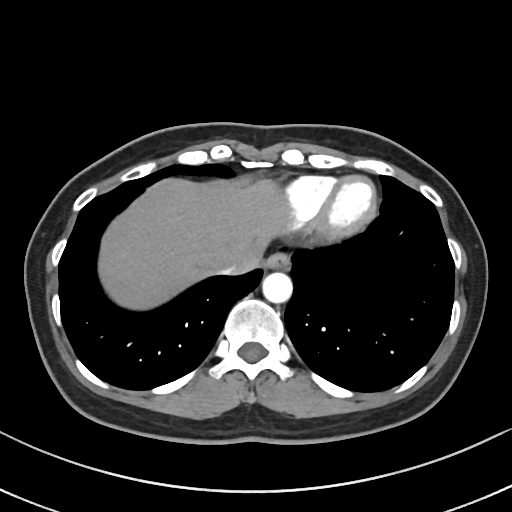
CT abdomen. axial plane, index 210. SOMATOM Force scanner
Bounding boxes in pixels, one row per box: x1, y1 is the top-left corner and x2, y2 the bottom-right.
| organ | x1 | y1 | x2 | y2 |
|---|---|---|---|---|
| inferior vena cava | 218 | 265 | 235 | 274 |
| esophagus | 265 | 252 | 290 | 270 |
| aorta | 262 | 272 | 292 | 303 |
| liver | 98 | 178 | 284 | 309 |